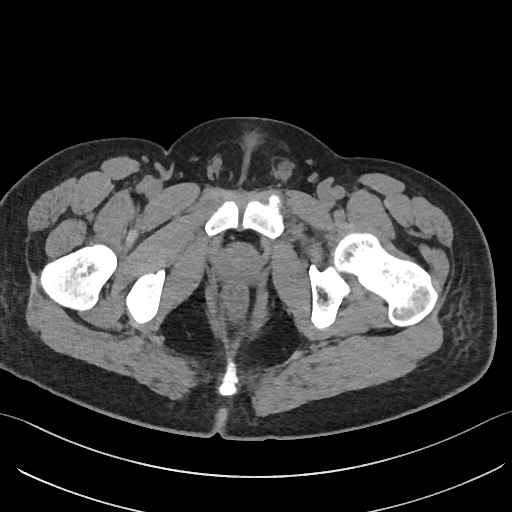

CT, abdomen/pelvis; axial view
Boxes: x1 y1 x2 y2 (pixel coords, space-separated). Labeled organs on this slice: prostate/uterus at 216 246 260 283.